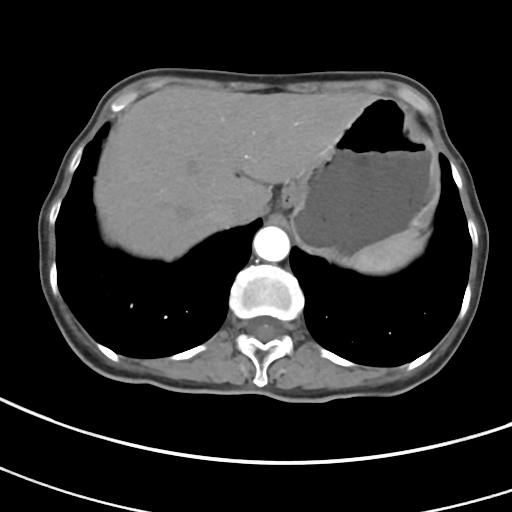 CT, abdomen/pelvis; axial view; soft-tissue window (W 400 / L 40); 512x512 px; SOMATOM Force scanner
{"organs":{"liver":[94,86,373,260],"inferior vena cava":[207,197,244,227],"spleen":[349,230,425,273],"aorta":[253,226,290,261],"stomach":[281,96,440,262]}}